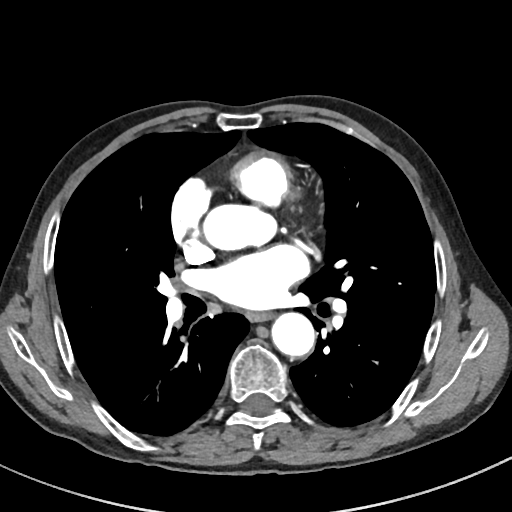

CT of the abdomen reaching into the lower chest, slice just above the liver and spleen — axial plane, index 235
No part of the heart or lungs is labeled in this dataset, so neither has a box here.
One row per box, in pixels: columns x1 and y1 give the top-left corner, x2 and y2 the bottom-right.
| organ | x1 | y1 | x2 | y2 |
|---|---|---|---|---|
| esophagus | 249 | 312 | 275 | 322 |
| aorta | 202 | 204 | 277 | 250 |
| aorta | 272 | 313 | 315 | 358 |